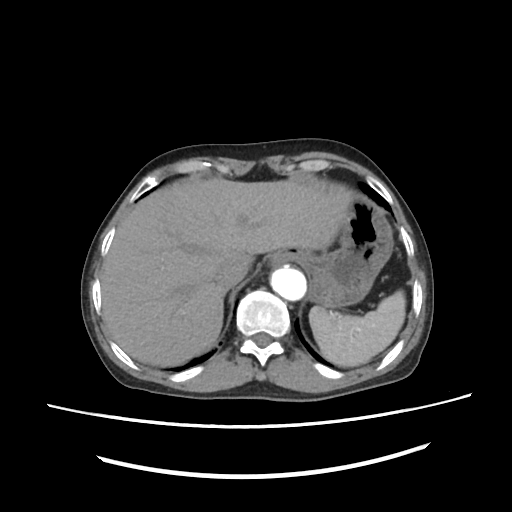

Computed tomography, abdomen · axial view · soft-tissue window (W 400 / L 40) · 67-year-old male patient · Aquilion ONE scanner
<organs><organ name="spleen" x1="308" y1="290" x2="405" y2="366"/><organ name="esophagus" x1="272" y1="252" x2="295" y2="266"/><organ name="liver" x1="103" y1="179" x2="353" y2="366"/><organ name="stomach" x1="299" y1="193" x2="391" y2="306"/><organ name="aorta" x1="270" y1="267" x2="305" y2="299"/><organ name="inferior vena cava" x1="214" y1="261" x2="246" y2="285"/></organs>